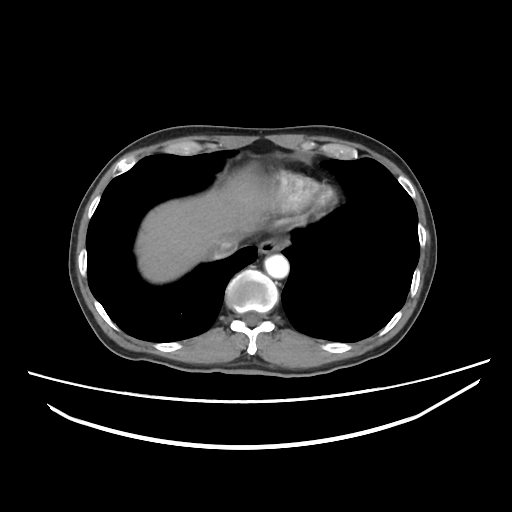

Computed tomography, abdomen · axial view · abdomen soft-tissue window · 512x512 px · 63-year-old male patient · scan has 13 labeled organs (a whole-scan count: organs this slice does not pass through have no box)
<organs><organ name="esophagus" x1="258" y1="238" x2="285" y2="254"/><organ name="liver" x1="136" y1="169" x2="268" y2="282"/><organ name="aorta" x1="264" y1="254" x2="289" y2="278"/><organ name="inferior vena cava" x1="212" y1="235" x2="239" y2="258"/></organs>